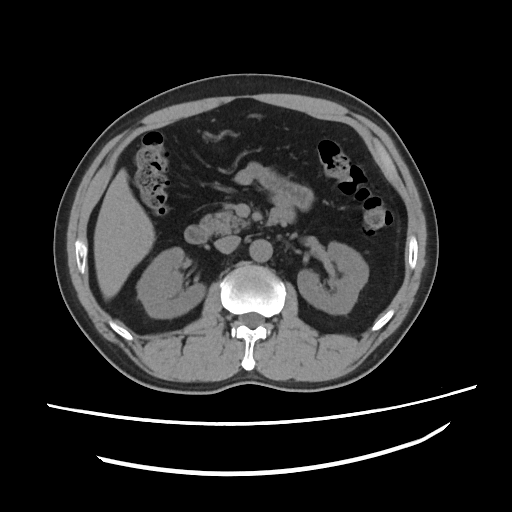 Computed tomography, abdomen · Axial slice 64/92 · W/L 400/40 HU · 512x512 px · scan has 15 labeled organs (a whole-scan count: organs this slice does not pass through have no box)
Boxes: x1 y1 x2 y2 (pixel coords, space-separated).
Organ bounding boxes:
- right kidney: 138 248 205 318
- left kidney: 295 240 367 312
- liver: 94 167 154 299
- aorta: 249 238 271 262
- inferior vena cava: 214 237 240 253
- pancreas: 200 206 250 237
- duodenum: 182 227 210 245